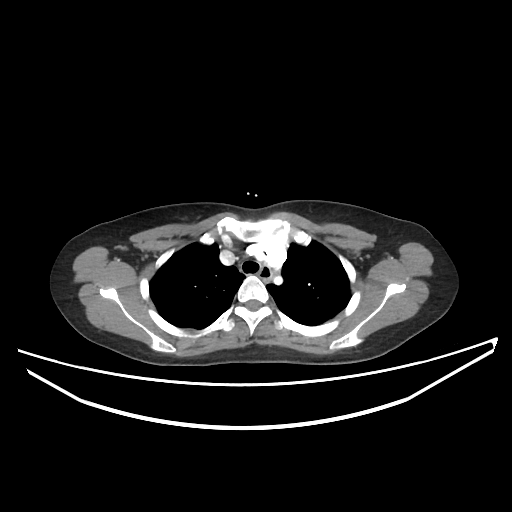

Chest-level CT slice, above the liver and spleen — axial view — 37-year-old female patient — Aquilion ONE scanner — 15 organs annotated in this scan (that count is for the whole scan; organs this slice misses have no box)
On a slice this high in the chest, this dataset labels only the esophagus and the aorta, and each is boxed only where it is labeled; the heart, lungs and other chest structures are not labeled. Bounding boxes as [x1, y1, x2, y2] in pixel coordinates. The annotated organs in this slice are: esophagus at [257, 267, 271, 283].